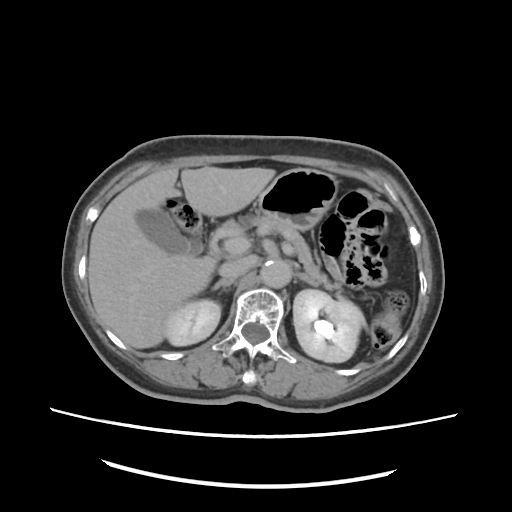 CT abdomen. axial view. soft-tissue window. 76-year-old female patient
One row per box, in pixels: columns x1 and y1 give the top-left corner, x2 and y2 the bottom-right.
| organ | x1 | y1 | x2 | y2 |
|---|---|---|---|---|
| right kidney | 165 | 300 | 221 | 346 |
| left kidney | 293 | 290 | 360 | 362 |
| gall bladder | 132 | 206 | 202 | 254 |
| liver | 88 | 163 | 275 | 348 |
| stomach | 253 | 169 | 338 | 229 |
| aorta | 258 | 261 | 290 | 287 |
| inferior vena cava | 220 | 254 | 260 | 280 |
| pancreas | 222 | 215 | 350 | 302 |
| right adrenal gland | 212 | 276 | 236 | 290 |
| left adrenal gland | 297 | 273 | 317 | 285 |